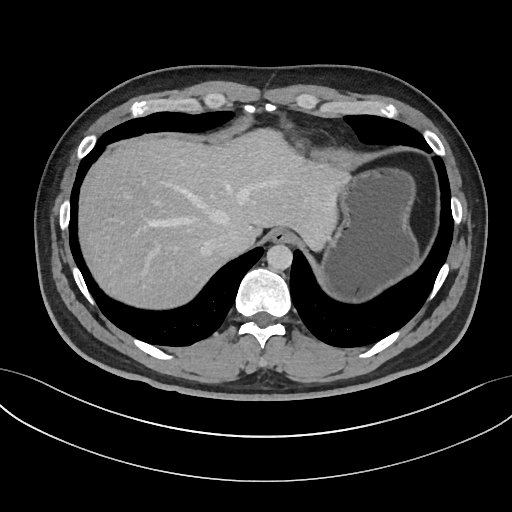
CT abdomen — Axial slice 225/345 — W/L 400/40 HU — 15 organs annotated in this scan (counted over the whole 3D scan, not this slice; an organ is boxed only where this slice passes through it)
{"organs":{"esophagus":[270,227,295,243],"liver":[77,127,347,307],"stomach":[318,168,419,302],"aorta":[266,244,292,270],"inferior vena cava":[212,229,249,258]}}